CT, abdomen/pelvis. axial view
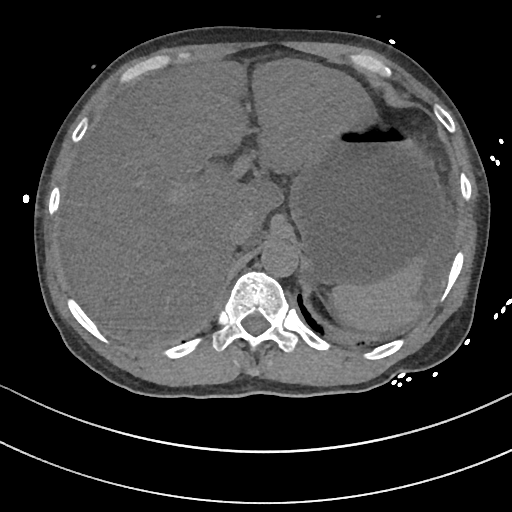
Boxes: x1 y1 x2 y2 (pixel coords, space-separated). The annotated organs in this slice are: spleen at 331 260 421 331, liver at 59 58 375 344, stomach at 289 113 446 285, aorta at 261 240 298 278, inferior vena cava at 228 219 252 248.